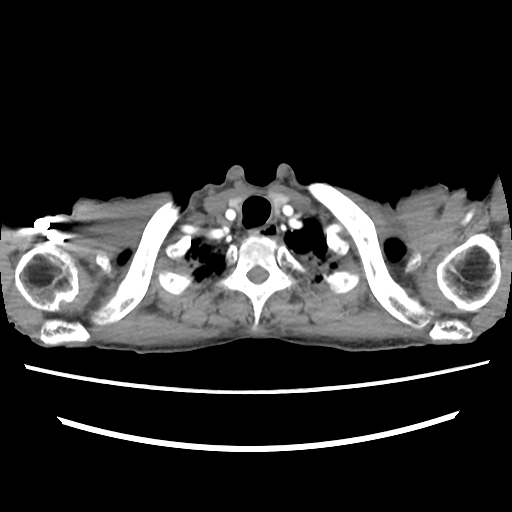 CT of the abdomen extending into the chest, slice through the chest; axial view; soft-tissue window (W 400 / L 40); 512x512 px
At this level of the chest no structure but the esophagus and the aorta has a label in this dataset, and those two are boxed only where they are labeled.
Box edges are left/top/right/bottom in pixels.
Organ bounding boxes:
- esophagus: left=259, top=225, right=279, bottom=239